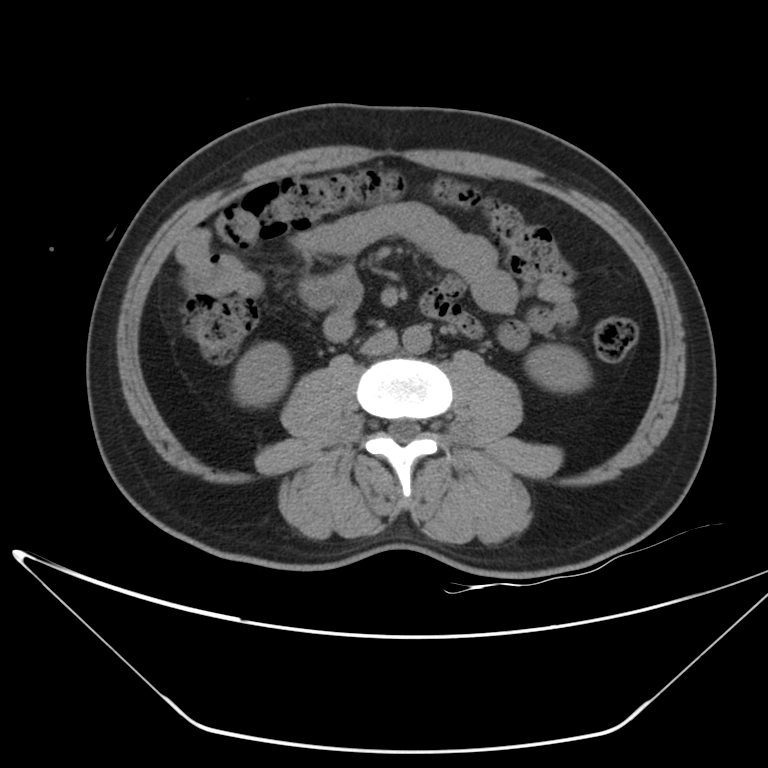 CT abdomen — axial view — acquired on Brilliance16
Bounding boxes as [x1, y1, x2, y2] in pixel coordinates. Labeled organs on this slice: right kidney at [231, 342, 291, 407], left kidney at [525, 345, 591, 392], aorta at [402, 325, 430, 353], inferior vena cava at [360, 329, 398, 355].